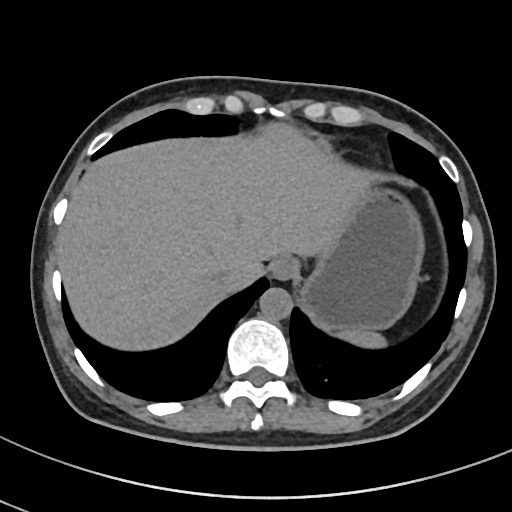
CT abdomen; axial plane, index 195; 512x512 px
{"organs":{"aorta":[260,288,293,321],"liver":[60,122,371,349],"esophagus":[269,257,297,281],"spleen":[338,332,386,349],"inferior vena cava":[211,269,232,285],"stomach":[302,189,420,329]}}